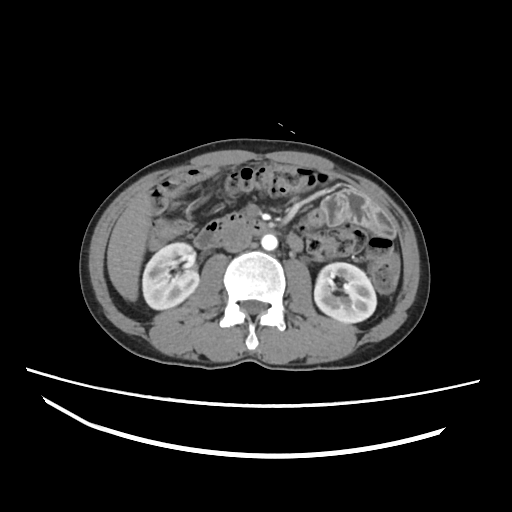

Abdominal CT — axial view — 512x512 px — 15 organs annotated in this scan (counted over the whole 3D scan, not this slice; an organ is boxed only where this slice passes through it)
Boxes: x1 y1 x2 y2 (pixel coords, space-separated).
right kidney: 142 242 199 309
left kidney: 314 262 376 323
liver: 107 193 151 300
aorta: 261 234 277 250
inferior vena cava: 221 226 252 252
duodenum: 194 213 302 250